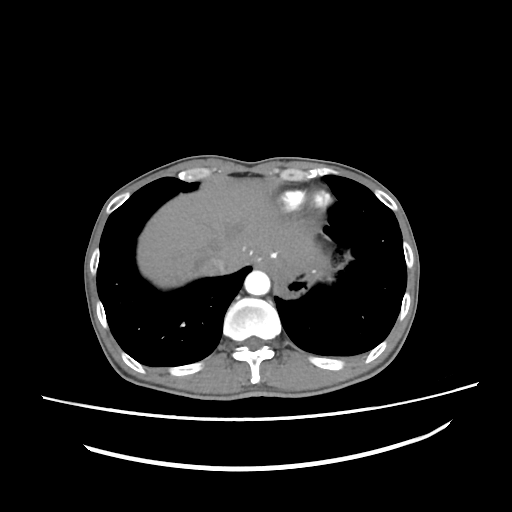 Abdominal CT; axial plane, index 82; 50-year-old male patient
Bounding boxes as [x1, y1, x2, y2] in pixel coordinates.
Organ bounding boxes:
- spleen: [311, 270, 325, 279]
- inferior vena cava: [201, 255, 227, 275]
- liver: [137, 179, 318, 287]
- aorta: [244, 270, 270, 295]